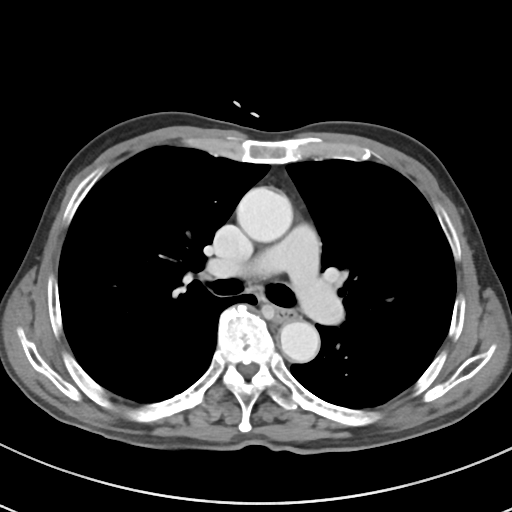 Chest-level CT slice, above the liver and spleen · axial view · soft-tissue window, W/L 400/40
At this level of the chest this dataset labels only the esophagus and the aorta, and each is boxed only where it is labeled; the heart and lungs are never labeled.
Bounding boxes as [x1, y1, x2, y2] in pixel coordinates.
Organ bounding boxes:
- esophagus: [275, 308, 296, 322]
- aorta: [236, 187, 292, 242]
- aorta: [279, 321, 319, 362]